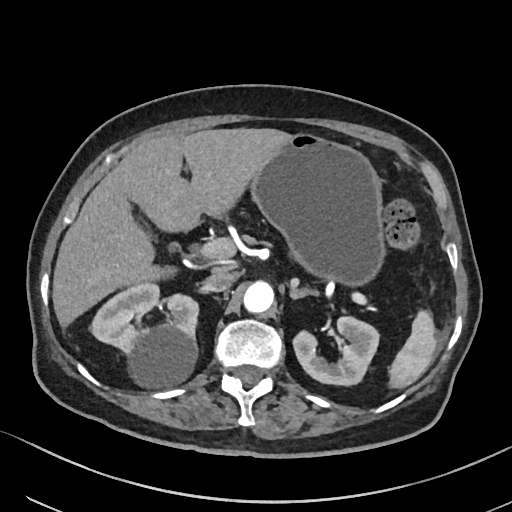

CT abdomen. axial plane, index 169. soft-tissue window (W 400 / L 40). acquired on SOMATOM Force
{"organs":{"spleen":[390,310,434,387],"right kidney":[91,281,198,388],"left kidney":[292,316,379,385],"liver":[51,128,287,325],"stomach":[252,133,384,286],"aorta":[244,279,273,311],"inferior vena cava":[205,271,236,292],"pancreas":[369,298,374,302],"left adrenal gland":[290,287,317,297]}}